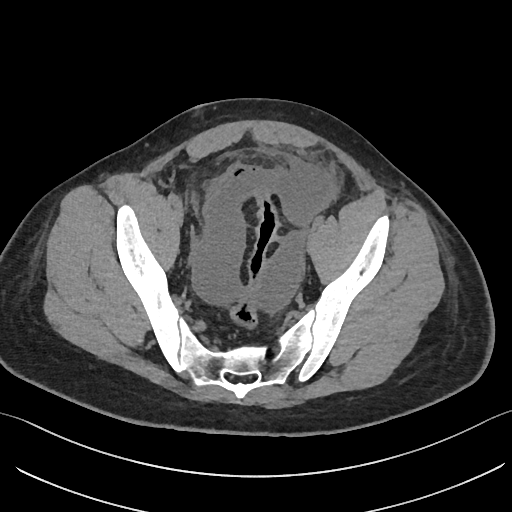
CT, abdomen/pelvis. axial view. 15 organs annotated in this scan (counted over the whole 3D scan, not this slice; an organ is boxed only where this slice passes through it)
Organ boxes in pixel coordinates; each row gives the top-left (x1, y1) and bottom-right (x2, y2) corners.
| organ | x1 | y1 | x2 | y2 |
|---|---|---|---|---|
| bladder | 192 | 193 | 199 | 213 |